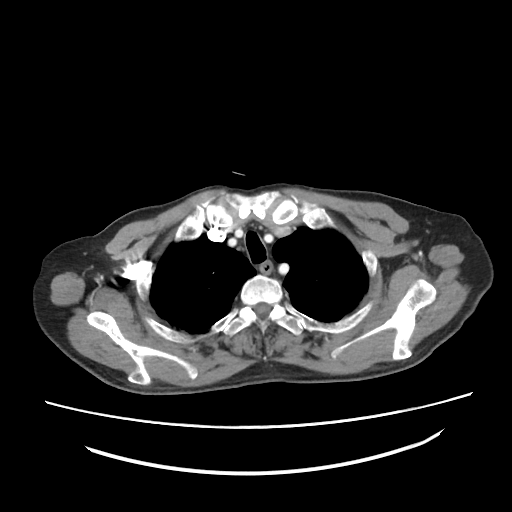
CT of the abdomen extending into the chest, slice through the chest. axial view. soft-tissue window. Aquilion ONE scanner
On a slice this high in the chest, this dataset labels only the esophagus and the aorta, and each is boxed only where it is labeled; the heart, lungs and other chest structures are not labeled.
One row per box, in pixels: columns x1 and y1 give the top-left corner, x2 and y2 the bottom-right.
| organ | x1 | y1 | x2 | y2 |
|---|---|---|---|---|
| esophagus | 259 | 260 | 273 | 274 |